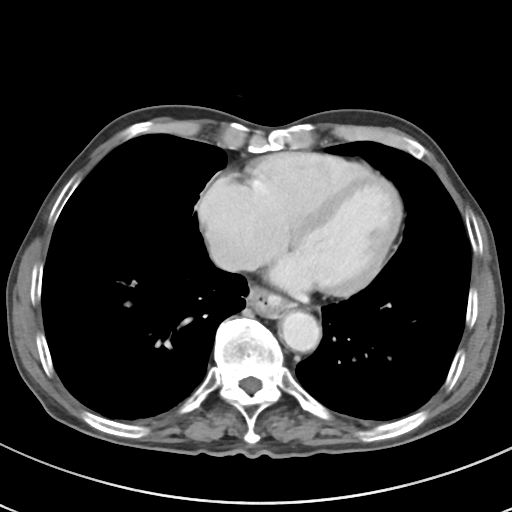 Lower-chest slice from an abdominal CT, just above the liver and spleen · axial plane, index 80 · W/L 400/40 HU
No part of the heart or lungs is labeled in this dataset, so neither has a box here.
<organs><organ name="esophagus" x1="248" y1="287" x2="294" y2="317"/><organ name="aorta" x1="280" y1="311" x2="320" y2="351"/><organ name="inferior vena cava" x1="210" y1="243" x2="239" y2="270"/></organs>